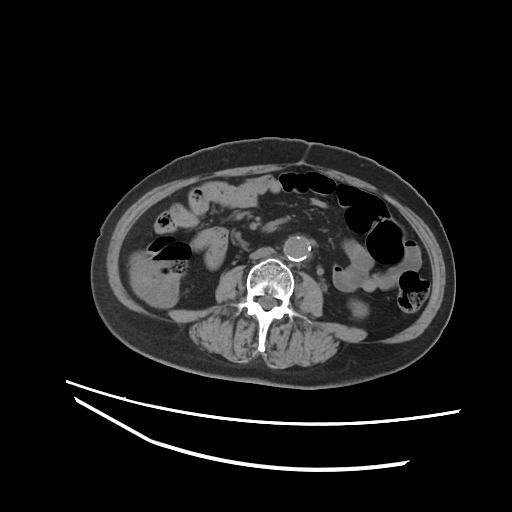 CT, abdomen/pelvis. axial view. acquired on Aquilion ONE. 15 organs annotated in this scan (counted over the whole 3D scan, not this slice; an organ is boxed only where this slice passes through it)
Each box given as x1,y1,x2,y2.
Organ bounding boxes:
- left kidney: x1=350, y1=300, x2=367, y2=317
- aorta: x1=283, y1=236, x2=310, y2=260
- inferior vena cava: x1=249, y1=247, x2=274, y2=259